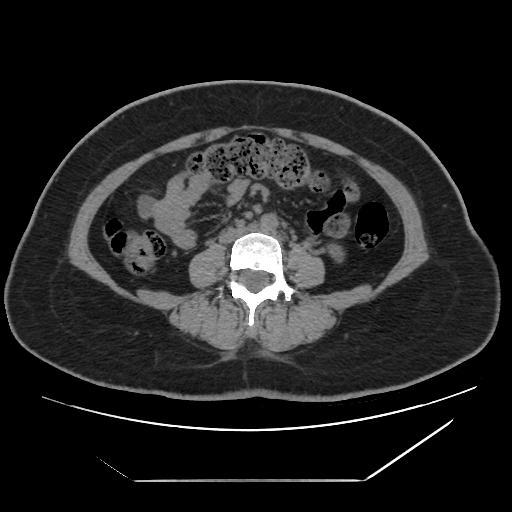

CT, abdomen/pelvis — axial view
One row per box, in pixels: columns x1 and y1 give the top-left corner, x2 and y2 the bottom-right.
| organ | x1 | y1 | x2 | y2 |
|---|---|---|---|---|
| left kidney | 324 | 241 | 346 | 264 |
| aorta | 260 | 213 | 278 | 232 |
| inferior vena cava | 219 | 225 | 252 | 243 |